CT, abdomen/pelvis. axial view. abdomen soft-tissue window. 41-year-old male patient
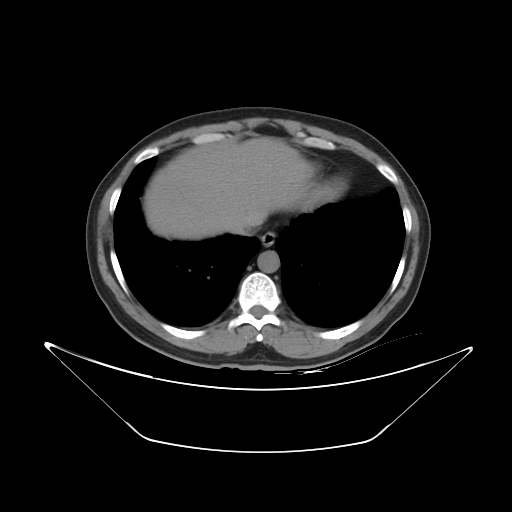 Boxes are (x1, y1, x2, y2) in pixels. The annotated organs in this slice are: esophagus at (260, 231, 275, 247), liver at (144, 137, 312, 239), aorta at (257, 250, 280, 272), inferior vena cava at (230, 217, 255, 235).